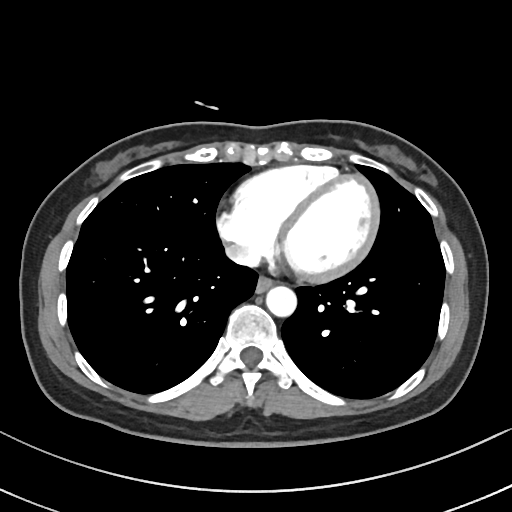
CT of the abdomen reaching into the lower chest, slice just above the liver and spleen — Axial slice 229/242 — soft-tissue window, W/L 400/40 — 512x512 px
The heart and lungs are never labeled in this dataset, so they have no box on this slice.
Bounding boxes in pixels, one row per box: x1, y1 is the top-left corner and x2, y2 the bottom-right.
| organ | x1 | y1 | x2 | y2 |
|---|---|---|---|---|
| esophagus | 256 | 276 | 274 | 292 |
| aorta | 266 | 286 | 296 | 316 |
| inferior vena cava | 225 | 244 | 259 | 266 |